CT, abdomen/pelvis. axial view. 61-year-old female patient. scan has 15 labeled organs (a whole-scan count: organs this slice does not pass through have no box)
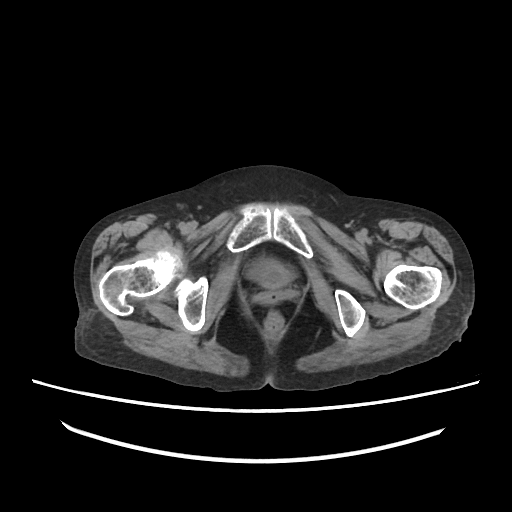
Box edges are left/top/right/bottom in pixels.
bladder: left=246, top=257, right=292, bottom=287